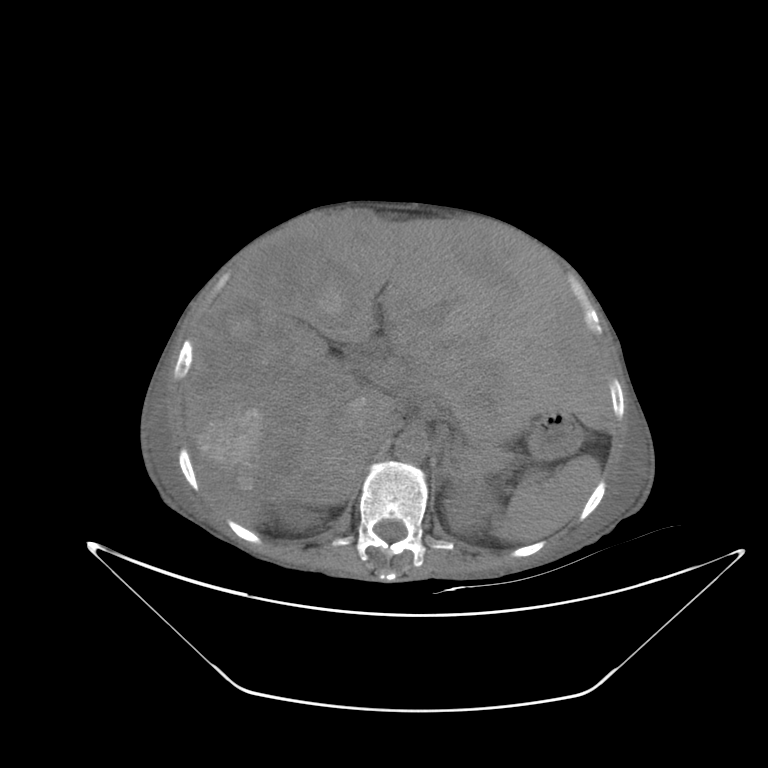
Computed tomography, abdomen — axial view — abdomen soft-tissue window — 768x768 px
{"organs":{"spleen":[493,455,599,542],"right kidney":[284,509,316,528],"left kidney":[444,487,492,534],"liver":[183,215,611,526],"stomach":[531,414,581,458],"aorta":[395,431,427,462],"inferior vena cava":[364,412,402,451],"pancreas":[463,446,512,475],"left adrenal gland":[437,444,457,487]}}